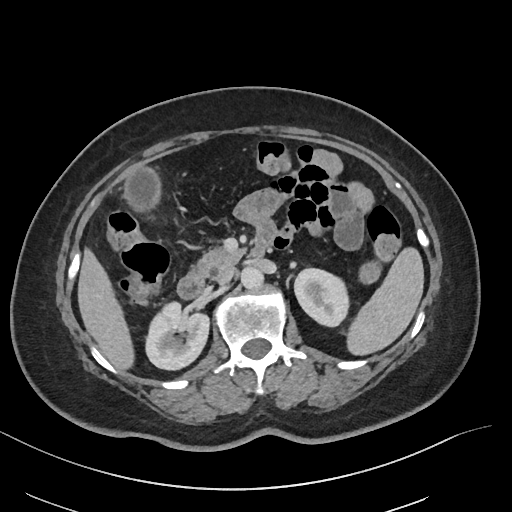
Abdominal CT. axial view
{"organs":{"pancreas":[196,248,244,275],"aorta":[240,265,262,288],"right kidney":[145,301,208,369],"gall bladder":[126,169,159,208],"inferior vena cava":[215,267,234,284],"spleen":[346,248,423,354],"left kidney":[294,267,348,326],"duodenum":[177,240,270,297],"liver":[78,249,132,369]}}